CT abdomen; axial view; W/L 400/40 HU
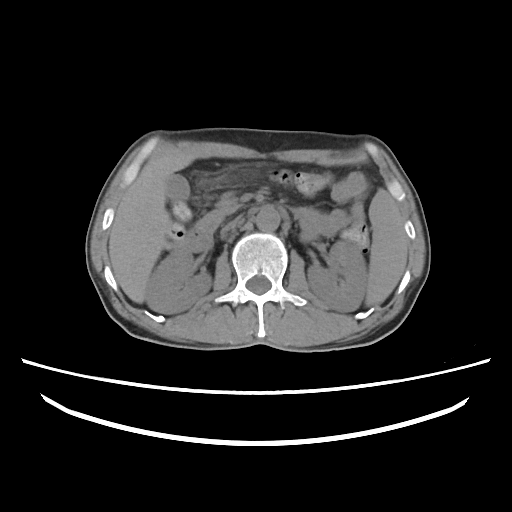 Box edges are left/top/right/bottom in pixels.
Organ bounding boxes:
- spleen: left=364, top=189, right=407, bottom=306
- right kidney: left=145, top=249, right=210, bottom=313
- left kidney: left=306, top=240, right=365, bottom=311
- gall bladder: left=165, top=173, right=189, bottom=199
- liver: left=108, top=155, right=196, bottom=302
- aorta: left=256, top=207, right=279, bottom=231
- inferior vena cava: left=222, top=214, right=242, bottom=230
- pancreas: left=195, top=191, right=239, bottom=243
- duodenum: left=173, top=228, right=211, bottom=251